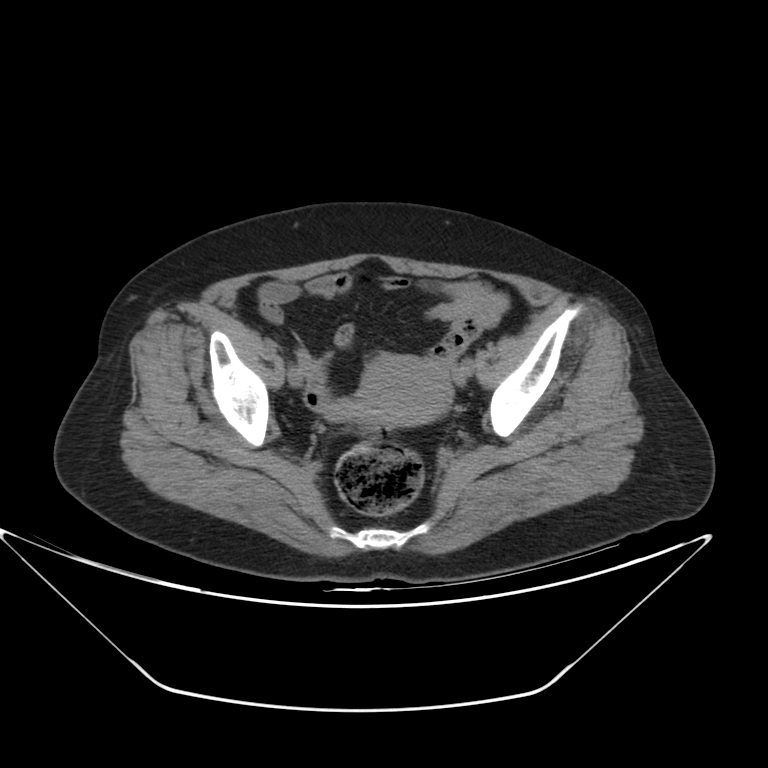
CT, abdomen/pelvis; axial view; Brilliance16 scanner
Boxes are (x1, y1, x2, y2) in pixels.
Organ bounding boxes:
- prostate/uterus: (362, 357, 452, 426)